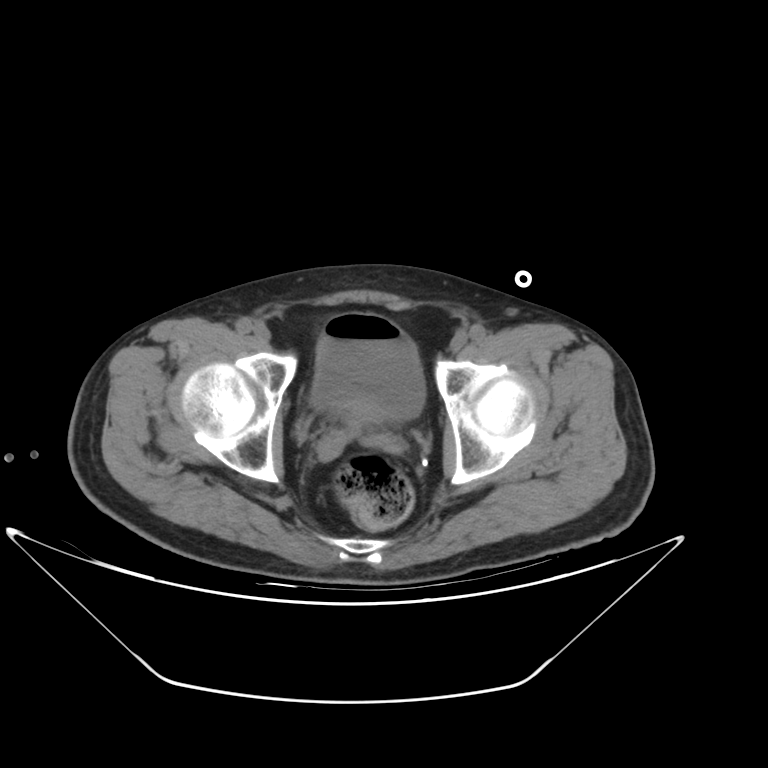 Abdominal CT — axial view — 768x768 px — 65-year-old male patient — acquired on Brilliance16
Each box given as x1,y1,x2,y2.
bladder: x1=310, y1=316, x2=425, y2=422